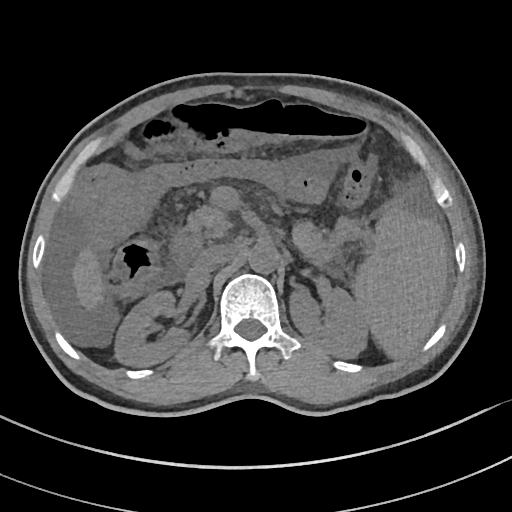 CT, abdomen/pelvis; axial view; abdomen soft-tissue window; 512x512 px
Coordinates as <box>x1,y1,x2,y2</box> in pixels. Labeled organs on this slice: spleen at <box>351,210,447,359</box>, right kidney at <box>115,291,191,367</box>, left kidney at <box>288,285,368,359</box>, liver at <box>71,243,105,313</box>, aorta at <box>248,243,279,274</box>, inferior vena cava at <box>194,245,236,273</box>, pancreas at <box>182,201,325,253</box>, duodenum at <box>168,228,202,264</box>.